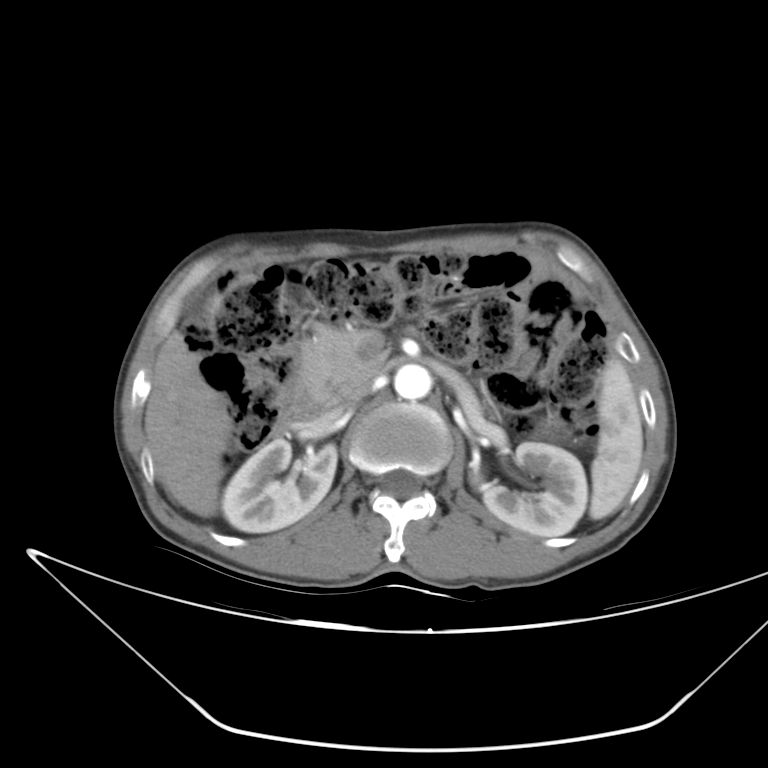 Abdominal CT. axial plane, index 37. 62-year-old male patient. 13 organs annotated in this scan (a whole-scan count: organs this slice does not pass through have no box)
<organs><organ name="spleen" x1="589" y1="357" x2="643" y2="519"/><organ name="right kidney" x1="221" y1="439" x2="337" y2="532"/><organ name="left kidney" x1="479" y1="442" x2="587" y2="536"/><organ name="gall bladder" x1="184" y1="284" x2="212" y2="321"/><organ name="liver" x1="145" y1="331" x2="231" y2="516"/><organ name="aorta" x1="394" y1="364" x2="431" y2="399"/><organ name="inferior vena cava" x1="338" y1="375" x2="370" y2="409"/><organ name="pancreas" x1="298" y1="325" x2="378" y2="405"/><organ name="duodenum" x1="276" y1="386" x2="328" y2="434"/></organs>